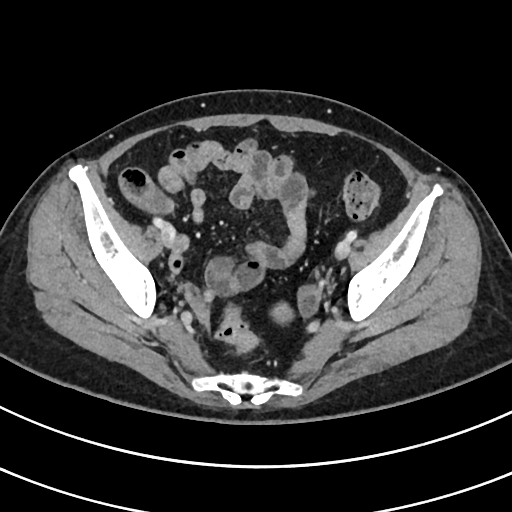

CT, abdomen/pelvis · axial view · W/L 400/40 HU
Organ boxes in pixel coordinates; each row gives the top-left (x1, y1) and bottom-right (x2, y2) corners.
| organ | x1 | y1 | x2 | y2 |
|---|---|---|---|---|
| prostate/uterus | 272 | 304 | 292 | 322 |